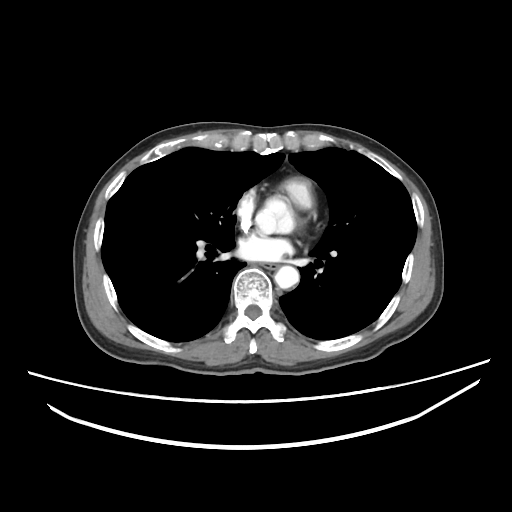 Chest-level slice from an abdominal CT that extends up into the chest; axial view; soft-tissue window, W/L 400/40; 512x512 px
At this level of the chest no structure but the esophagus and the aorta has a label in this dataset, and those two are boxed only where they are labeled.
Box edges are left/top/right/bottom in pixels.
esophagus: left=261, top=261, right=276, bottom=268
aorta: left=274, top=263, right=299, bottom=290